CT abdomen. axial view. abdomen soft-tissue window. 15 organs annotated in this scan (that count is for the whole scan; organs this slice misses have no box)
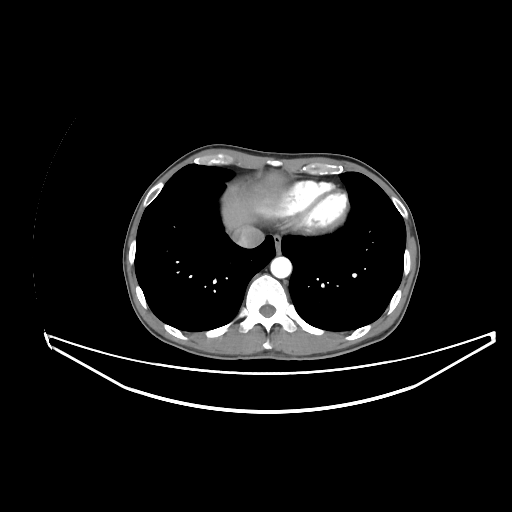
Coordinates as <box>x1,y1,x2,y2</box> in pixels.
esophagus: <box>273,234,281,251</box>
liver: <box>222,171,284,230</box>
aorta: <box>270,256,291,278</box>
inferior vena cava: <box>232,225,264,247</box>